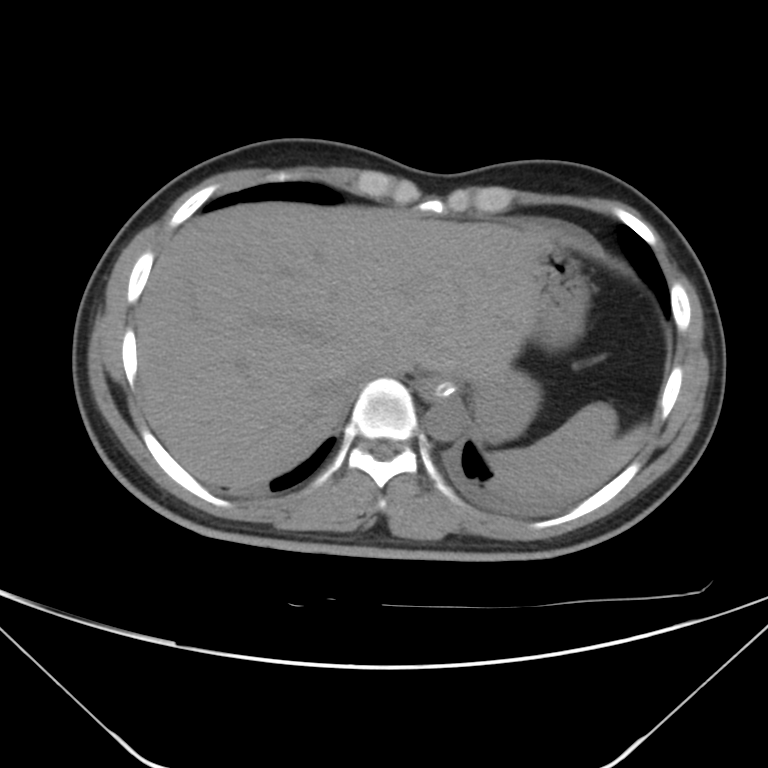

Abdominal CT — axial view — W/L 400/40 HU — 768x768 px — 15 organs annotated in this scan (a whole-scan count: organs this slice does not pass through have no box)
{"organs":{"stomach":[443,239,588,442],"inferior vena cava":[348,364,406,386],"esophagus":[418,377,453,398],"liver":[137,202,647,489],"spleen":[490,402,619,499],"aorta":[425,395,466,440]}}